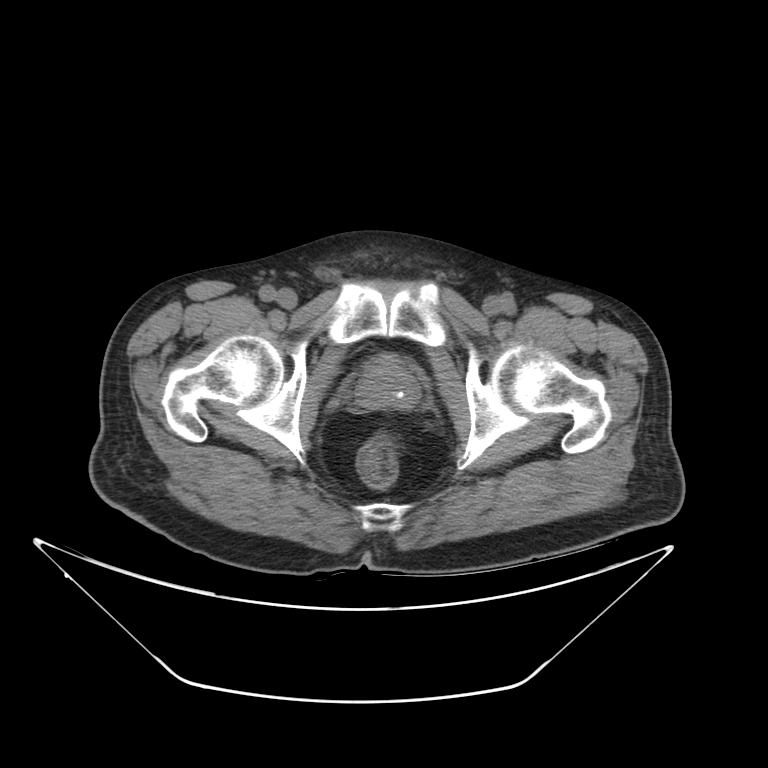

CT abdomen — axial view — soft-tissue window (W 400 / L 40) — 66-year-old male patient — scan has 15 labeled organs (a whole-scan count: organs this slice does not pass through have no box)
<organs><organ name="prostate/uterus" x1="356" y1="356" x2="422" y2="408"/></organs>